CT abdomen — axial view — soft-tissue window (W 400 / L 40)
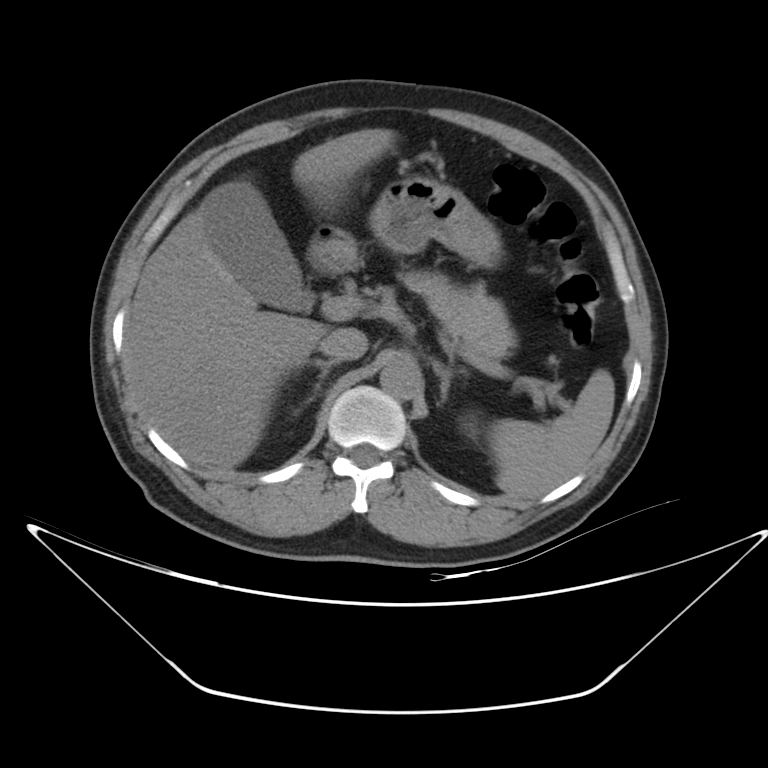

{"organs":{"spleen":[489,369,614,498],"left kidney":[463,417,476,433],"gall bladder":[205,182,311,309],"liver":[122,128,394,469],"stomach":[310,175,503,272],"aorta":[380,356,421,400],"inferior vena cava":[319,328,368,361],"pancreas":[402,271,544,398],"right adrenal gland":[294,359,337,391],"left adrenal gland":[431,360,454,401]}}